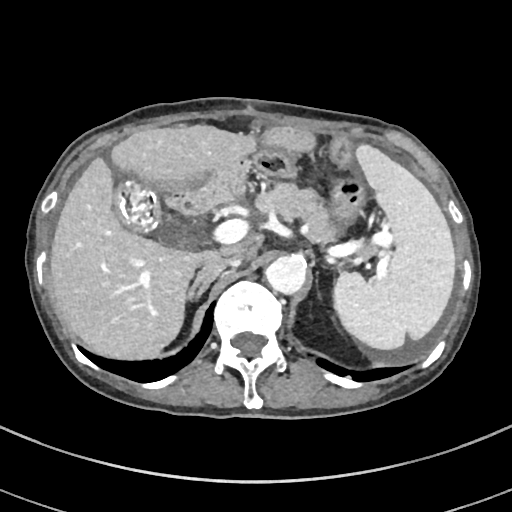
CT abdomen; axial plane, index 142
Boxes: x1 y1 x2 y2 (pixel coords, space-separated). 8 labeled organs on this slice — right adrenal gland at 187 264 224 300; liver at 50 124 255 360; left adrenal gland at 316 279 318 288; inferior vena cava at 201 257 240 266; pancreas at 252 182 376 257; gall bladder at 114 178 158 231; spleen at 332 143 455 350; aorta at 265 255 304 293.